CT, abdomen/pelvis — axial plane, index 58 — abdomen soft-tissue window — Aquilion ONE scanner — 15 organs annotated in this scan (that count is for the whole scan; organs this slice misses have no box)
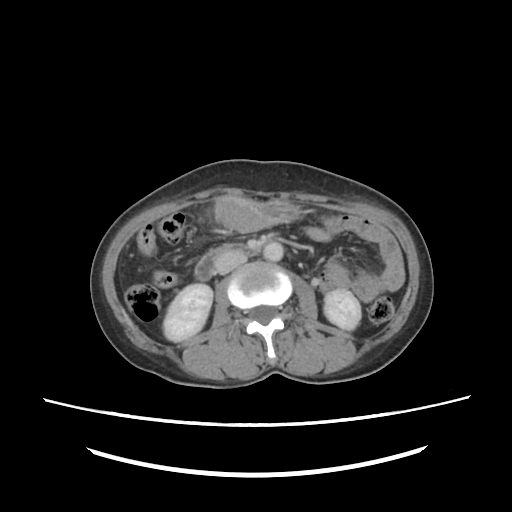 {"organs":{"inferior vena cava":[214,251,248,274],"stomach":[214,198,296,229],"aorta":[262,240,284,262],"left kidney":[324,290,361,329],"duodenum":[195,245,261,281],"right kidney":[163,284,211,341]}}